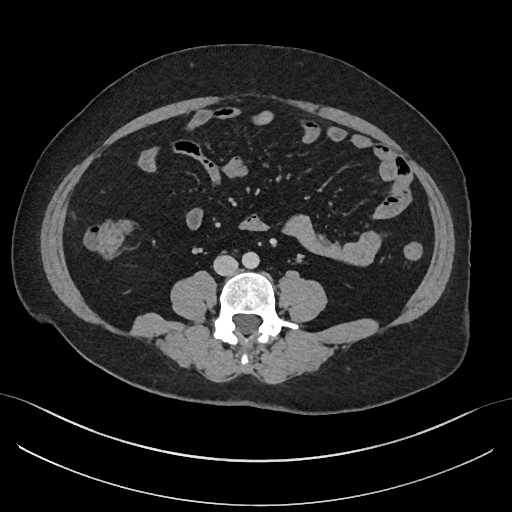 Computed tomography, abdomen — axial view — 512x512 px
Boxes: x1:y1:x2:y2 in pixels.
Organ bounding boxes:
- aorta: 241:251:259:268
- inferior vena cava: 214:254:238:275